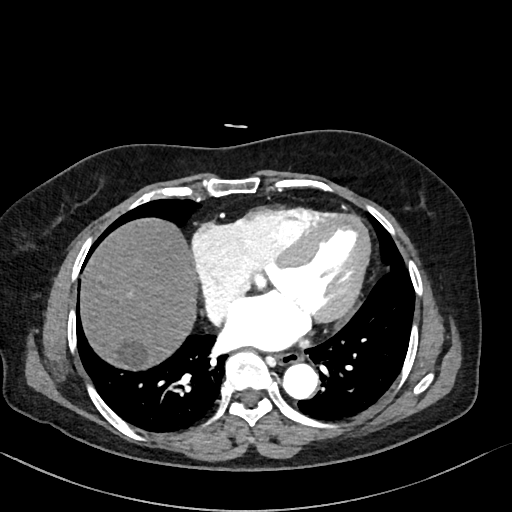
Computed tomography, abdomen — axial view — W/L 400/40 HU
<organs><organ name="esophagus" x1="275" y1="352" x2="300" y2="365"/><organ name="liver" x1="80" y1="218" x2="196" y2="369"/><organ name="aorta" x1="283" y1="363" x2="318" y2="399"/><organ name="inferior vena cava" x1="204" y1="295" x2="230" y2="327"/></organs>